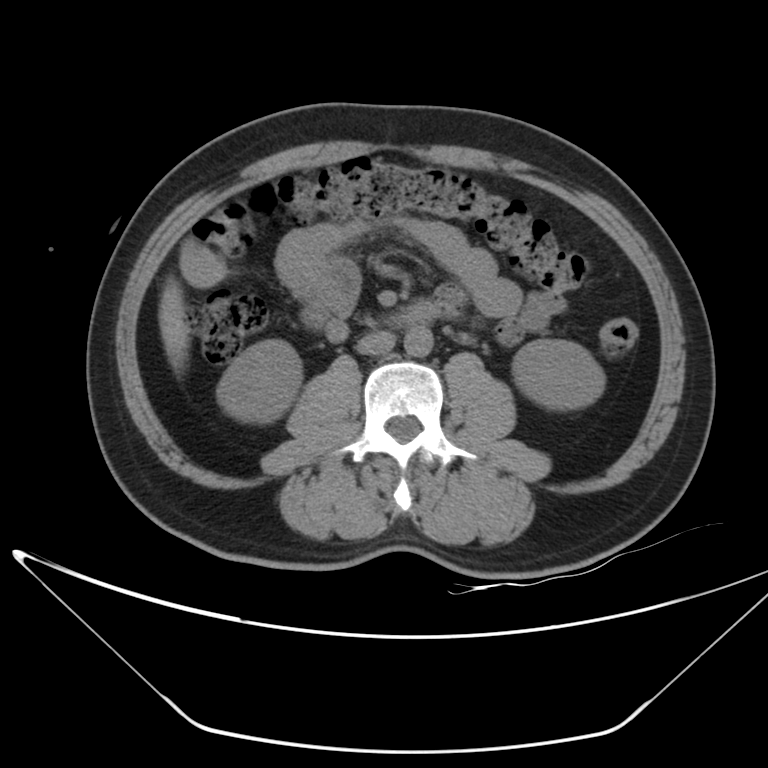
Computed tomography, abdomen. Axial slice 50/84. 768x768 px. Brilliance16 scanner
<organs><organ name="right kidney" x1="216" y1="340" x2="301" y2="423"/><organ name="left kidney" x1="512" y1="340" x2="604" y2="410"/><organ name="liver" x1="159" y1="279" x2="190" y2="371"/><organ name="aorta" x1="405" y1="326" x2="432" y2="356"/><organ name="inferior vena cava" x1="357" y1="331" x2="395" y2="353"/><organ name="duodenum" x1="396" y1="301" x2="436" y2="327"/></organs>